CT abdomen · axial view · soft-tissue window (W 400 / L 40)
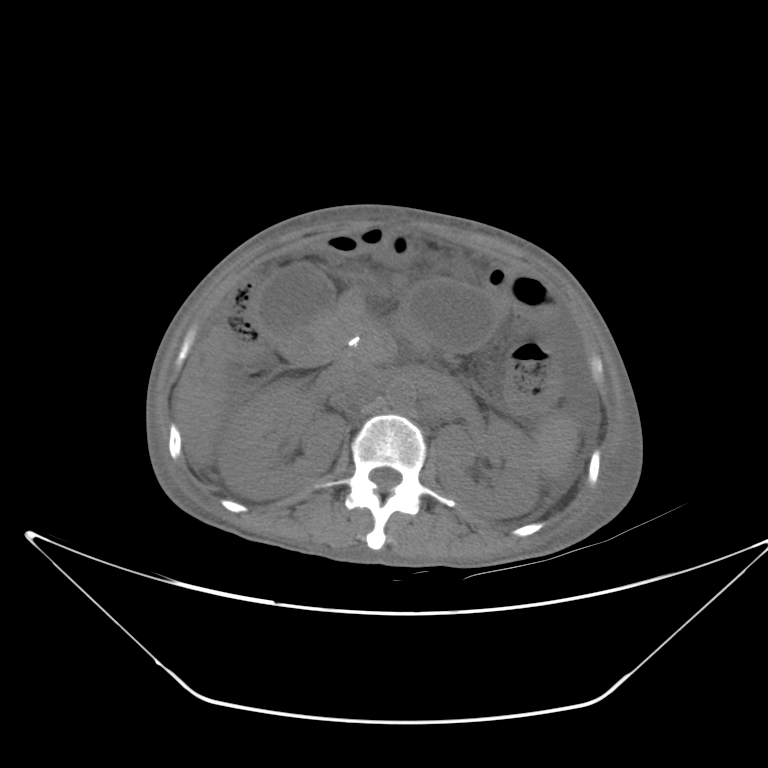 Boxes: x1 y1 x2 y2 (pixel coords, space-separated). 10 labeled organs on this slice — spleen at 533 411 578 481; right kidney at 217 380 344 499; left kidney at 434 417 539 518; gall bladder at 259 264 332 336; liver at 174 328 229 464; stomach at 402 277 497 354; aorta at 385 377 416 410; inferior vena cava at 335 366 376 408; pancreas at 333 296 384 367; duodenum at 285 312 334 363.